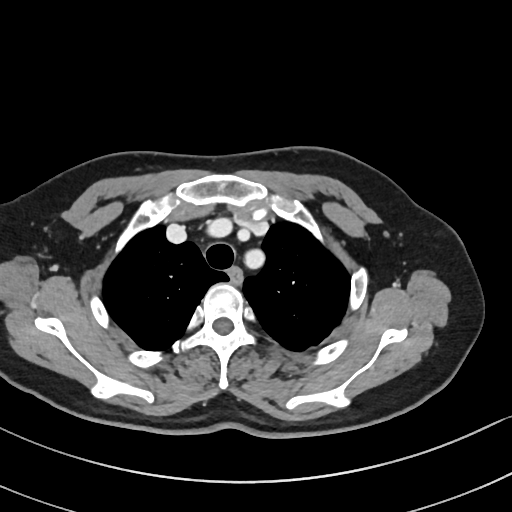

Chest-level slice from an abdominal CT that extends up into the chest · Axial slice 289/314 · 14 organs annotated in this scan (that count is for the whole scan; organs this slice misses have no box)
On a slice this high in the chest, this dataset labels only the esophagus and the aorta, and each is boxed only where it is labeled; the heart, lungs and other chest structures are not labeled. Coordinates as <box>x1,y1,x2,y2</box> in pixels. Labeled organs on this slice: aorta at <box>245,247,265,267</box>, esophagus at <box>231,270,240,282</box>.